Abdominal CT. axial plane, index 205. acquired on SOMATOM Force. 15 organs annotated in this scan (that count is for the whole scan; organs this slice misses have no box)
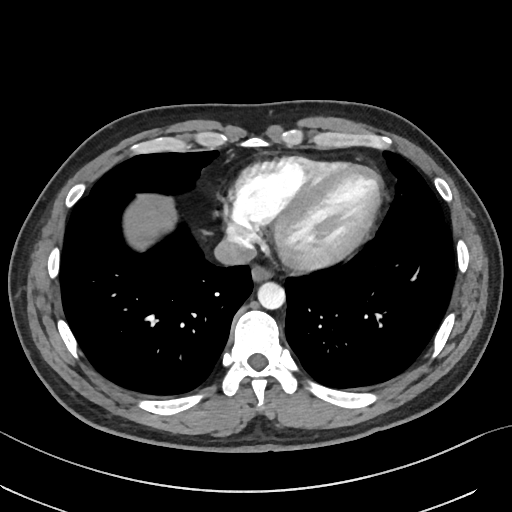 One row per box, in pixels: columns x1 and y1 give the top-left corner, x2 and y2 the bottom-right.
| organ | x1 | y1 | x2 | y2 |
|---|---|---|---|---|
| inferior vena cava | 214 | 236 | 256 | 265 |
| esophagus | 251 | 265 | 272 | 282 |
| liver | 124 | 194 | 176 | 249 |
| aorta | 257 | 282 | 285 | 309 |